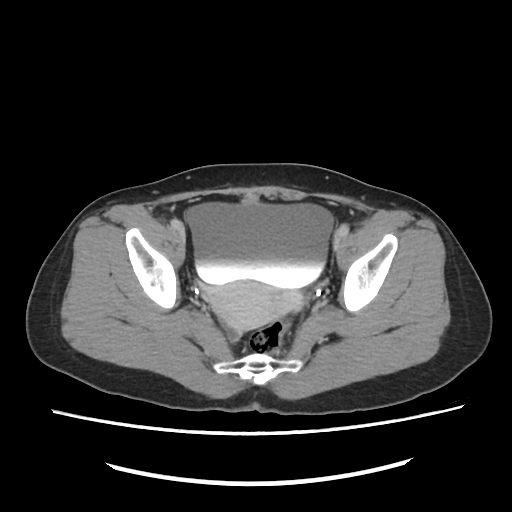
Abdominal CT · Axial slice 20/85
Bounding boxes as [x1, y1, x2, y2] in pixel coordinates.
Organ bounding boxes:
- bladder: [187, 203, 333, 287]
- prostate/uterus: [200, 281, 303, 341]